Abdominal CT · axial plane, index 60 · abdomen soft-tissue window · 512x512 px · 56-year-old female patient
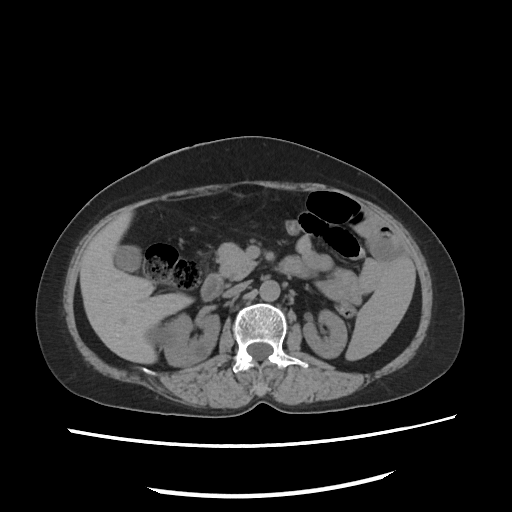
Boxes: x1:y1:x2:y2 in pixels.
left kidney: 303:308:347:358
pancreas: 218:242:255:279
duodenum: 200:255:310:301
liver: 80:209:192:364
spleen: 347:258:415:360
gall bladder: 113:246:139:272
inferior vena cava: 223:284:247:297
aorta: 258:280:279:300
right kidney: 153:313:219:366